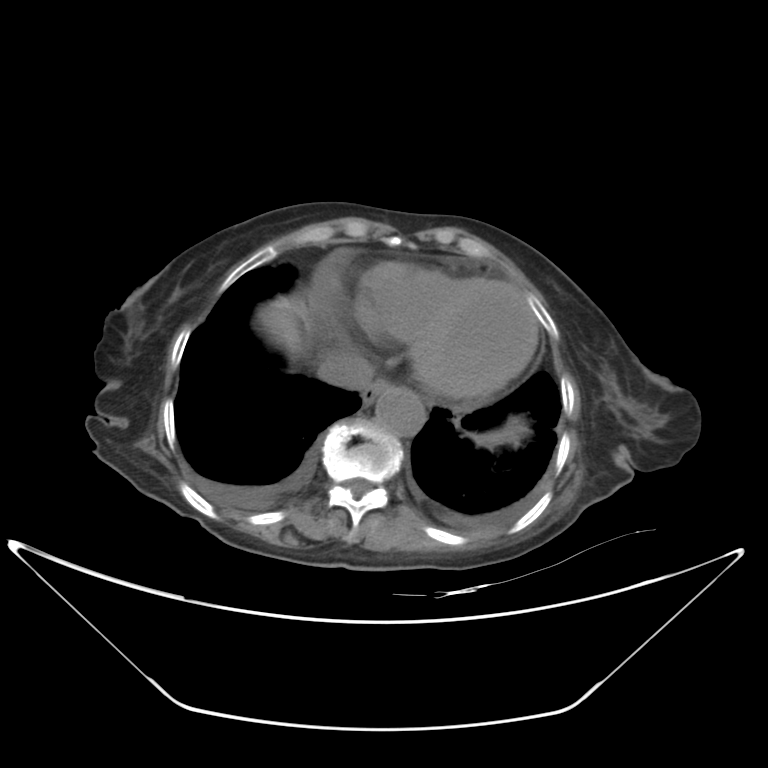
CT, abdomen/pelvis. axial view. female patient aged 90 or older
<organs><organ name="spleen" x1="478" y1="421" x2="523" y2="445"/><organ name="inferior vena cava" x1="316" y1="351" x2="373" y2="390"/><organ name="esophagus" x1="362" y1="378" x2="391" y2="405"/><organ name="liver" x1="260" y1="297" x2="300" y2="347"/><organ name="aorta" x1="376" y1="388" x2="426" y2="437"/></organs>